CT abdomen; axial view; 512x512 px
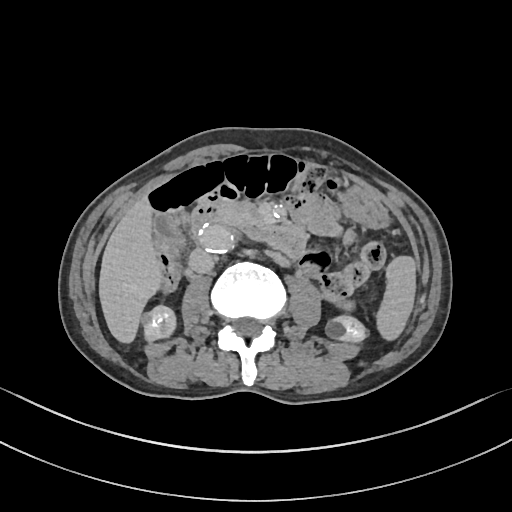 Each box given as x1,y1,x2,y2.
spleen: x1=377, y1=255, x2=417, y2=339
right kidney: x1=143, y1=304, x2=176, y2=342
left kidney: x1=325, y1=314, x2=367, y2=343
gall bladder: x1=153, y1=214, x2=184, y2=252
liver: x1=98, y1=194, x2=160, y2=344
stomach: x1=338, y1=185, x2=392, y2=229
aorta: x1=198, y1=223, x2=234, y2=253
inferior vena cava: x1=189, y1=249, x2=214, y2=273
pancreas: x1=214, y1=203, x2=269, y2=229
duodenum: x1=190, y1=202, x2=306, y2=258